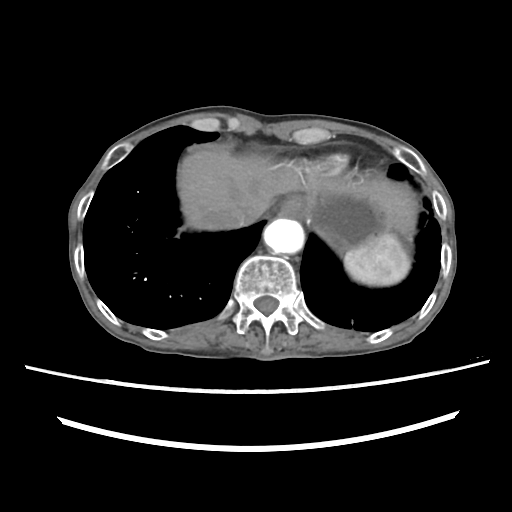
CT abdomen. axial view. 81-year-old male patient. 15 organs annotated in this scan (a whole-scan count: organs this slice does not pass through have no box)
Boxes are (x1, y1, x2, y2) in pixels.
aorta: (263, 218, 304, 253)
stomach: (303, 183, 391, 252)
liver: (177, 148, 416, 241)
esophagus: (277, 196, 303, 216)
spleen: (344, 233, 410, 285)
inferior vena cava: (211, 207, 253, 228)